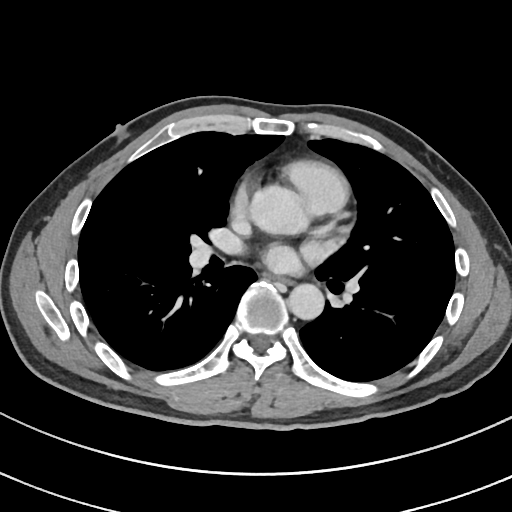

Chest-level slice from an abdominal CT that extends up into the chest; Axial slice 214/298; acquired on SOMATOM Force
On a slice this high in the chest, this dataset labels only the esophagus and the aorta, and each is boxed only where it is labeled; the heart, lungs and other chest structures are not labeled.
Boxes are (x1, y1, x2, y2) in pixels.
Organ bounding boxes:
- esophagus: (277, 277, 291, 284)
- aorta: (250, 185, 302, 234)
- aorta: (288, 283, 324, 320)